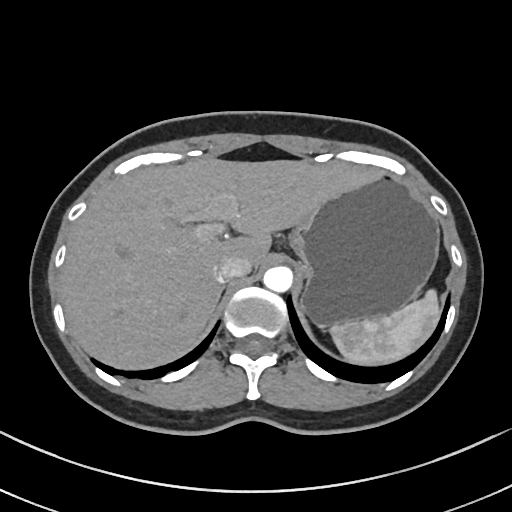
CT, abdomen/pelvis · axial plane, index 191 · W/L 400/40 HU
Boxes are (x1, y1, x2, y2) in pixels.
Organ bounding boxes:
- inferior vena cava: (213, 257, 251, 282)
- aorta: (263, 265, 292, 291)
- liver: (61, 156, 377, 370)
- stomach: (291, 171, 439, 327)
- spleen: (330, 289, 440, 366)
- right adrenal gland: (215, 282, 226, 304)